CT, abdomen/pelvis · axial view · 512x512 px · acquired on SOMATOM Force
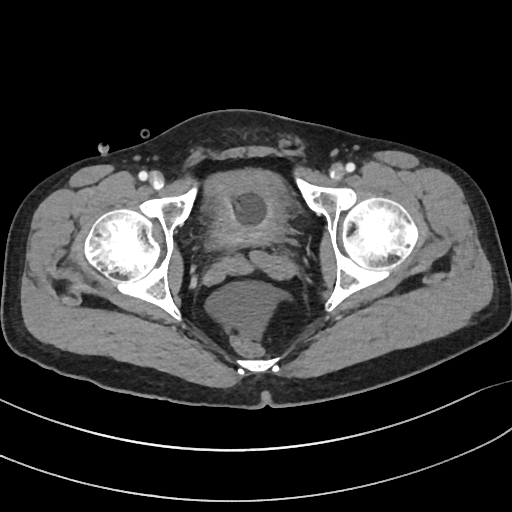

Boxes: x1:y1:x2:y2 in pixels.
bladder: 206:170:288:248